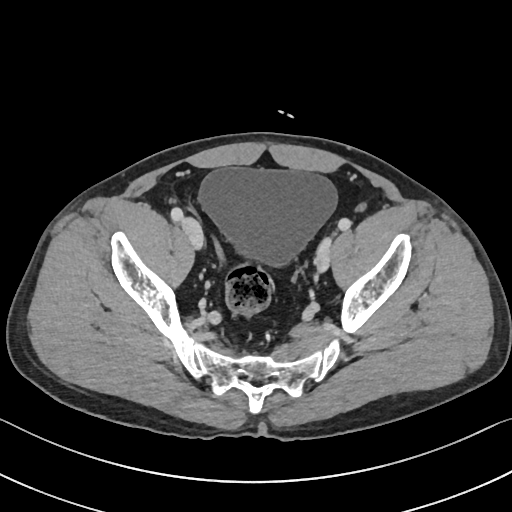 CT, abdomen/pelvis · axial view · soft-tissue window (W 400 / L 40) · 512x512 px
Boxes: x1 y1 x2 y2 (pixel coords, space-separated).
bladder: 198 167 337 265